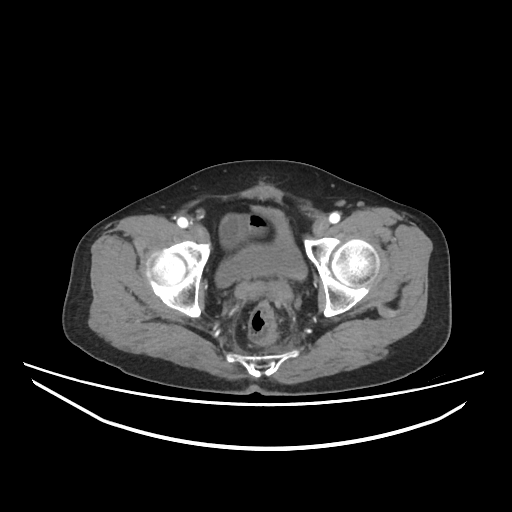
Abdominal CT — axial view — W/L 400/40 HU — 512x512 px — 58-year-old male patient
Box edges are left/top/right/bottom in pixels. The annotated organs in this slice are: bladder at left=215, top=206, right=307, bottom=287.